Lower-chest slice from an abdominal CT, just above the liver and spleen — Axial slice 204/204 — 512x512 px
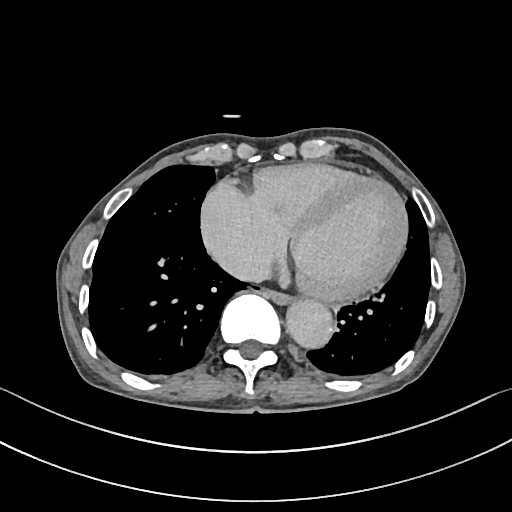 No part of the heart or lungs is labeled in this dataset, so neither has a box here.
{"organs":{"aorta":[285,297,333,348],"esophagus":[265,288,291,303],"inferior vena cava":[220,256,271,281]}}